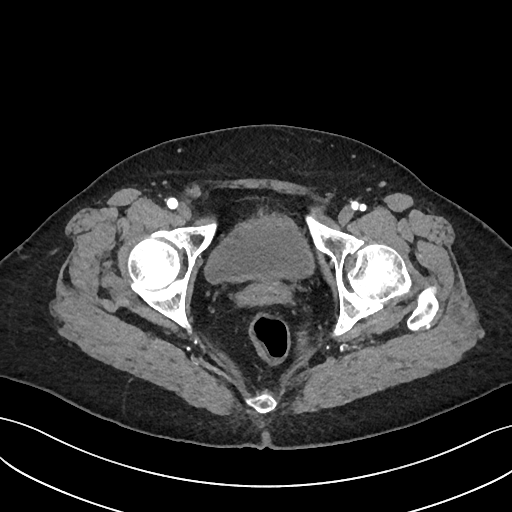
CT abdomen; axial view; abdomen soft-tissue window; 512x512 px; SOMATOM Force scanner
Coordinates as <box>x1,y1,x2,y2</box> in pixels.
Organ bounding boxes:
- bladder: <box>204,214,314,282</box>